Chest-level slice from an abdominal CT that extends up into the chest — axial view — 512x512 px — 47-year-old male patient
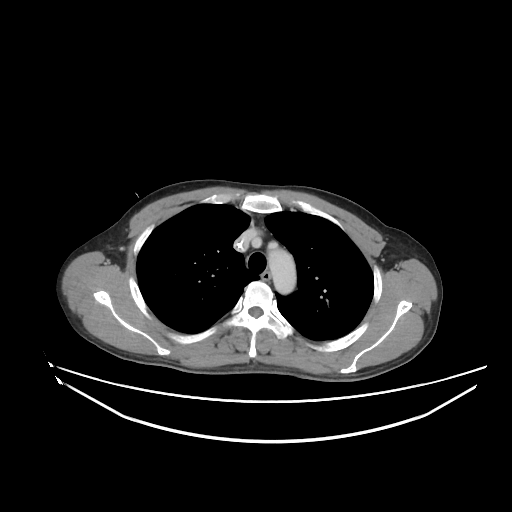

On a slice this high in the chest, this dataset labels only the esophagus and the aorta, and each is boxed only where it is labeled; the heart, lungs and other chest structures are not labeled.
{"organs":{"esophagus":[261,271,270,280],"aorta":[267,247,296,294]}}